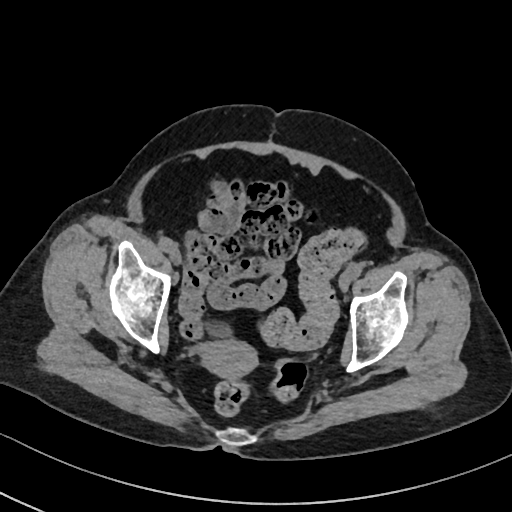

CT abdomen — axial plane, index 50 — abdomen soft-tissue window — 512x512 px — scan has 15 labeled organs (a whole-scan count: organs this slice does not pass through have no box)
{"organs":{"bladder":[204,318,231,337],"prostate/uterus":[200,340,256,379]}}